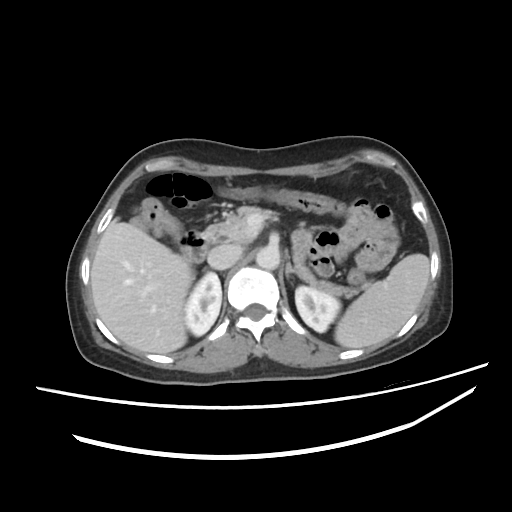 Computed tomography, abdomen — Axial slice 67/118 — 54-year-old female patient
{"organs":{"spleen":[335,253,429,348],"right kidney":[185,272,221,336],"left kidney":[295,286,340,332],"liver":[90,219,194,353],"aorta":[256,246,279,269],"inferior vena cava":[207,244,241,269],"pancreas":[201,206,357,297],"left adrenal gland":[285,261,298,278],"duodenum":[178,225,212,262]}}